Abdominal CT; axial view; soft-tissue window (W 400 / L 40)
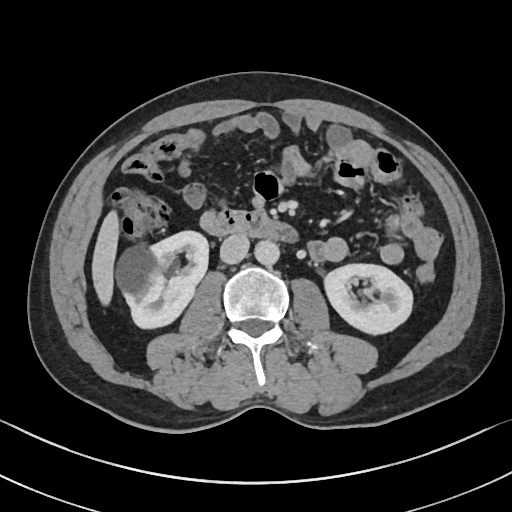
Boxes: x1:y1:x2:y2 in pixels.
inferior vena cava: 220:234:249:263
aorta: 255:240:279:265
left kidney: 324:264:412:334
liver: 91:211:119:305
duodenum: 205:210:297:241
right kidney: 116:231:208:328